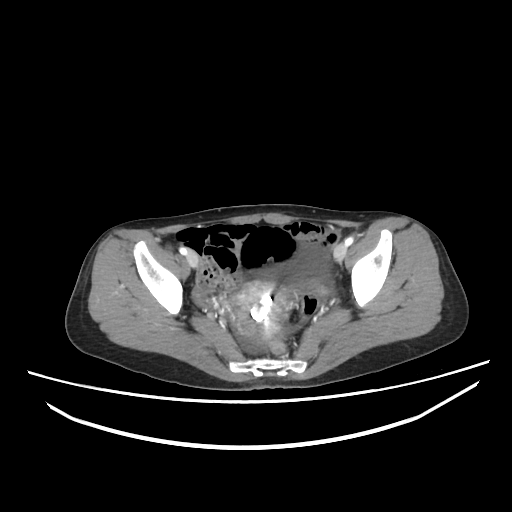 Abdominal CT — axial view — 512x512 px
Boxes are (x1, y1, x2, y2) in pixels.
bladder: (262, 245, 330, 285)
prostate/uterus: (234, 282, 287, 340)